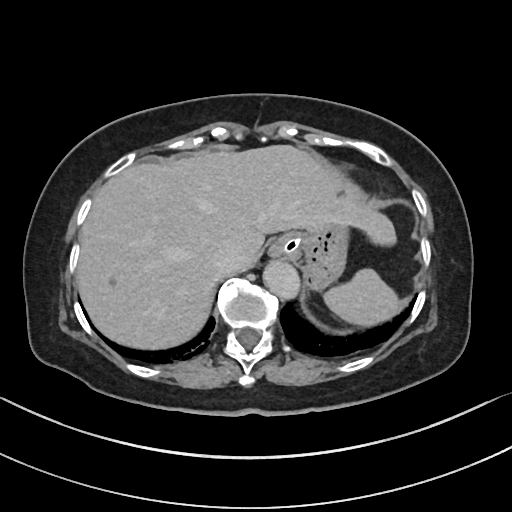
CT, abdomen/pelvis · Axial slice 182/212 · 512x512 px · acquired on SOMATOM Force
Boxes are (x1, y1, x2, y2) in pixels.
spleen: (325, 269, 400, 325)
esophagus: (269, 233, 296, 257)
liver: (74, 144, 395, 348)
stomach: (284, 222, 347, 289)
aorta: (262, 259, 298, 297)
inferior vena cava: (212, 244, 241, 272)